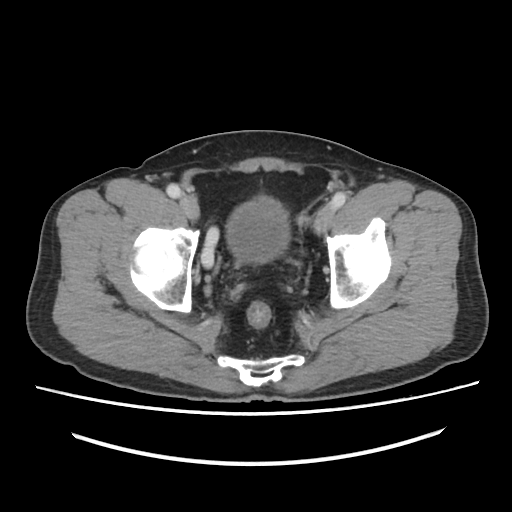

Computed tomography, abdomen; axial view; W/L 400/40 HU
{"organs":{"bladder":[227,196,289,262]}}